CT, abdomen/pelvis · Axial slice 50/78 · W/L 400/40 HU
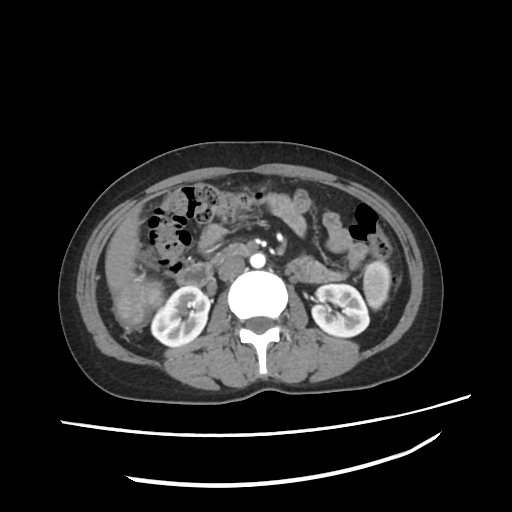

<organs><organ name="spleen" x1="364" y1="259" x2="392" y2="308"/><organ name="right kidney" x1="151" y1="286" x2="210" y2="346"/><organ name="left kidney" x1="310" y1="284" x2="369" y2="337"/><organ name="liver" x1="105" y1="204" x2="140" y2="293"/><organ name="aorta" x1="250" y1="254" x2="265" y2="268"/><organ name="inferior vena cava" x1="218" y1="256" x2="246" y2="281"/><organ name="duodenum" x1="178" y1="243" x2="249" y2="285"/></organs>